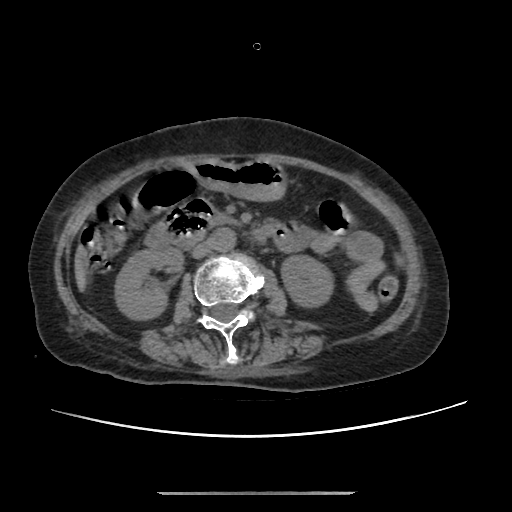 CT, abdomen/pelvis. Axial slice 213/353. W/L 400/40 HU. 512x512 px. SOMATOM Force scanner. 14 organs annotated in this scan (that count is for the whole scan; organs this slice misses have no box)
Each box given as x1,y1,x2,y2.
Organ bounding boxes:
- right kidney: x1=115, y1=244, x2=184, y2=318
- left kidney: x1=282, y1=256, x2=332, y2=304
- liver: x1=75, y1=254, x2=84, y2=289
- stomach: x1=192, y1=158, x2=285, y2=200
- aorta: x1=212, y1=227, x2=236, y2=250
- inferior vena cava: x1=193, y1=239, x2=214, y2=257
- pancreas: x1=212, y1=211, x2=239, y2=225
- duodenum: x1=145, y1=198, x2=278, y2=246